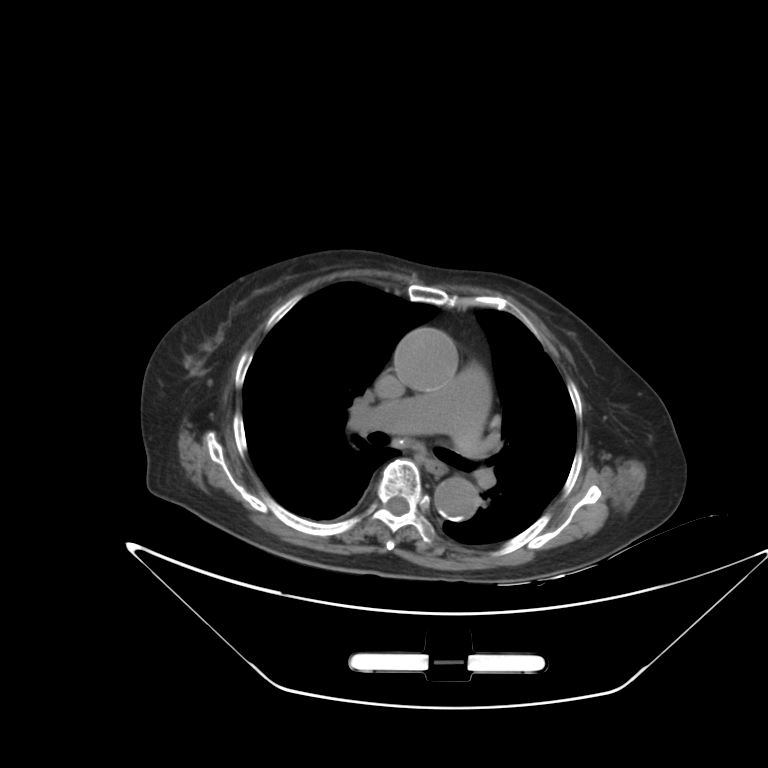

Abdominal CT; this slice is in the lower chest, just above the liver · axial plane, index 103 · 768x768 px · acquired on Brilliance16
No part of the heart or lungs is labeled in this dataset, so neither has a box here.
Box edges are left/top/right/bottom in pixels.
Organ bounding boxes:
- esophagus: left=428, top=462, right=444, bottom=474
- aorta: left=394, top=328, right=457, bottom=391
- aorta: left=434, top=476, right=479, bottom=520